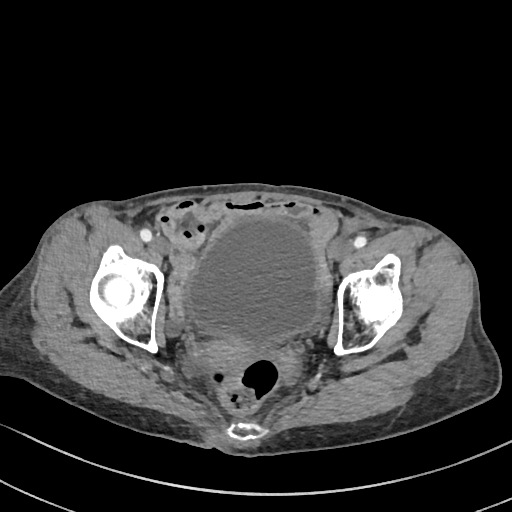 Abdominal CT · axial view · 512x512 px
Organ boxes in pixel coordinates; each row gives the top-left (x1, y1) and bottom-right (x2, y2) corners.
| organ | x1 | y1 | x2 | y2 |
|---|---|---|---|---|
| bladder | 186 | 218 | 319 | 343 |
| prostate/uterus | 202 | 335 | 257 | 369 |